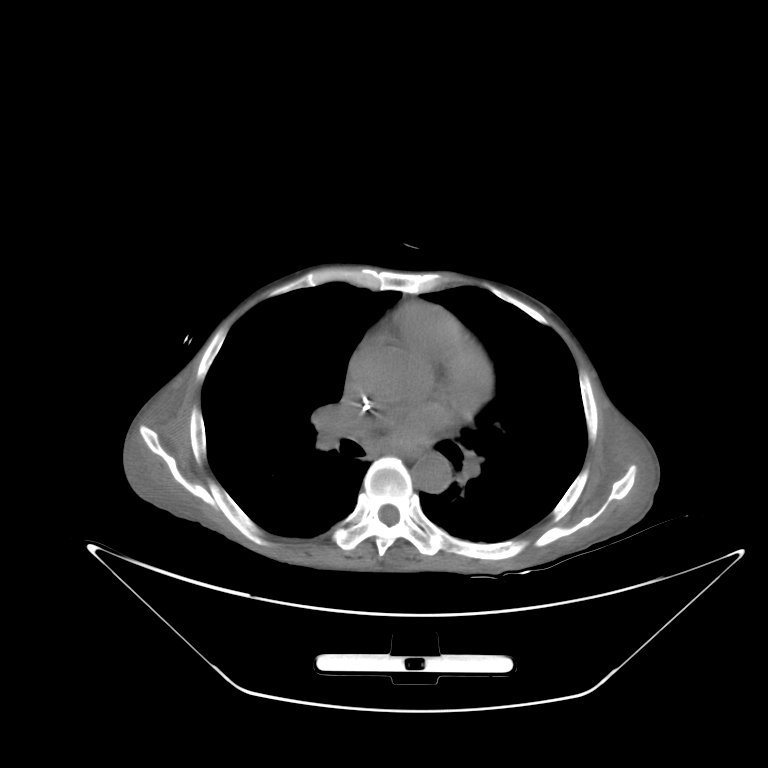

Abdominal CT; this slice is in the lower chest, just above the liver — axial view — soft-tissue window (W 400 / L 40)
No part of the heart or lungs is labeled in this dataset, so neither has a box here. Coordinates as <box>x1,y1,x2,y2</box> in pixels. 2 labeled organs on this slice — esophagus at <box>409,453,418,456</box>; aorta at <box>412,453,451,493</box>.